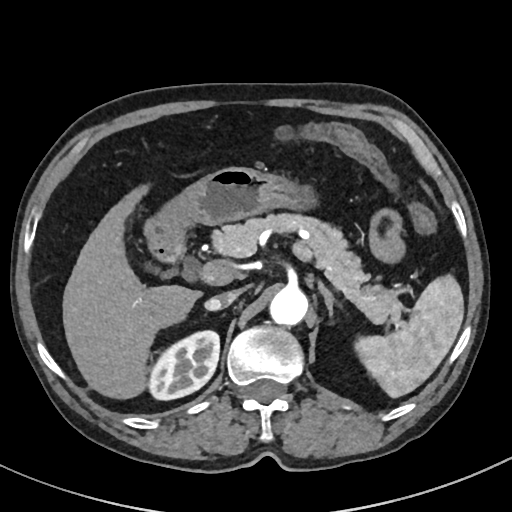
Abdominal CT. axial view. SOMATOM Force scanner
{"organs":{"spleen":[357,274,463,398],"right kidney":[149,332,219,399],"gall bladder":[156,268,178,278],"liver":[62,187,201,401],"stomach":[146,167,313,242],"aorta":[268,286,307,326],"inferior vena cava":[204,288,244,309],"pancreas":[212,215,400,323],"left adrenal gland":[318,282,333,319],"duodenum":[150,240,185,260]}}